Computed tomography, abdomen — axial view — W/L 400/40 HU — 45-year-old male patient — 15 organs annotated in this scan (counted over the whole 3D scan, not this slice; an organ is boxed only where this slice passes through it)
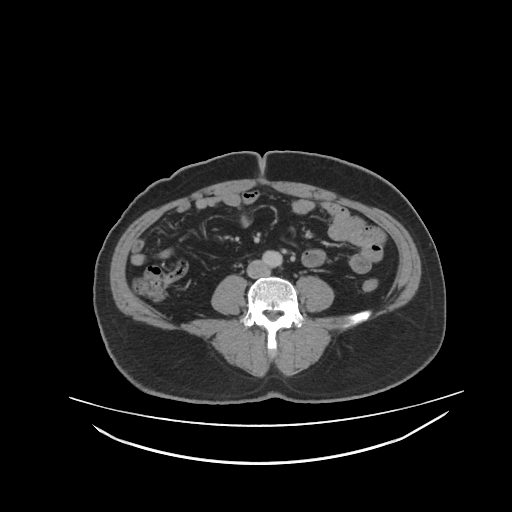

Box edges are left/top/right/bottom in pixels. The annotated organs in this slice are: aorta at left=263, top=250, right=281, bottom=269, inferior vena cava at left=247, top=261, right=269, bottom=278.